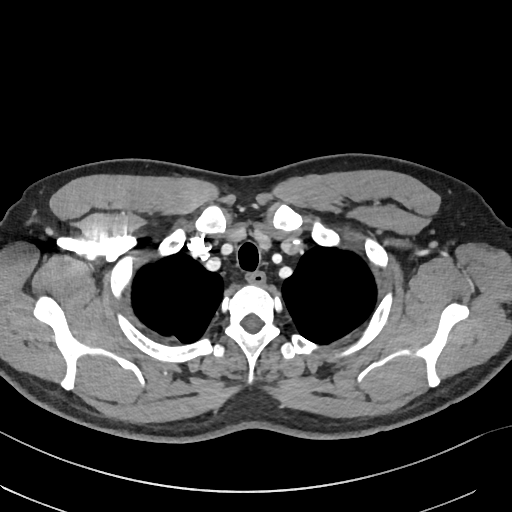
Chest-level slice from an abdominal CT that extends up into the chest. axial view. W/L 400/40 HU
On a slice this high in the chest, this dataset labels only the esophagus and the aorta, and each is boxed only where it is labeled; the heart, lungs and other chest structures are not labeled.
Boxes: x1 y1 x2 y2 (pixel coords, space-separated).
Organ bounding boxes:
- esophagus: 246 271 264 282